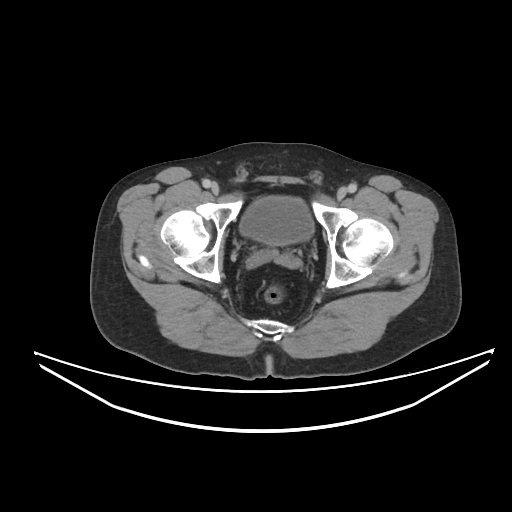
CT abdomen. Axial slice 14/131. soft-tissue window. 15 organs annotated in this scan (that count is for the whole scan; organs this slice misses have no box)
One row per box, in pixels: columns x1 and y1 give the top-left corner, x2 and y2 the bottom-right.
| organ | x1 | y1 | x2 | y2 |
|---|---|---|---|---|
| bladder | 240 | 196 | 313 | 245 |